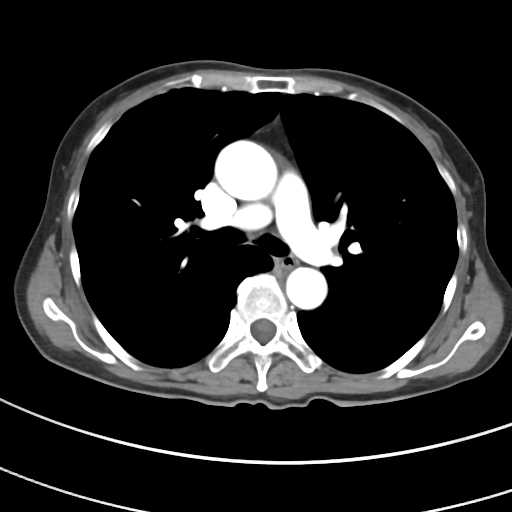 CT of the abdomen extending into the chest, slice through the chest; axial plane, index 96; 512x512 px
On a slice this high in the chest, this dataset labels only the esophagus and the aorta, and each is boxed only where it is labeled; the heart, lungs and other chest structures are not labeled.
<organs><organ name="esophagus" x1="275" y1="256" x2="296" y2="270"/><organ name="aorta" x1="214" y1="140" x2="276" y2="200"/><organ name="aorta" x1="285" y1="267" x2="327" y2="309"/></organs>